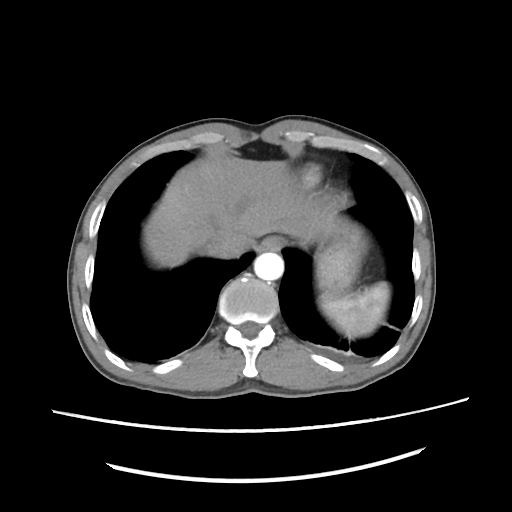

Abdominal CT. Axial slice 83/86
<organs><organ name="spleen" x1="318" y1="280" x2="390" y2="339"/><organ name="esophagus" x1="258" y1="234" x2="286" y2="251"/><organ name="liver" x1="143" y1="157" x2="333" y2="268"/><organ name="stomach" x1="314" y1="223" x2="368" y2="295"/><organ name="aorta" x1="253" y1="252" x2="284" y2="281"/><organ name="inferior vena cava" x1="201" y1="230" x2="256" y2="258"/></organs>